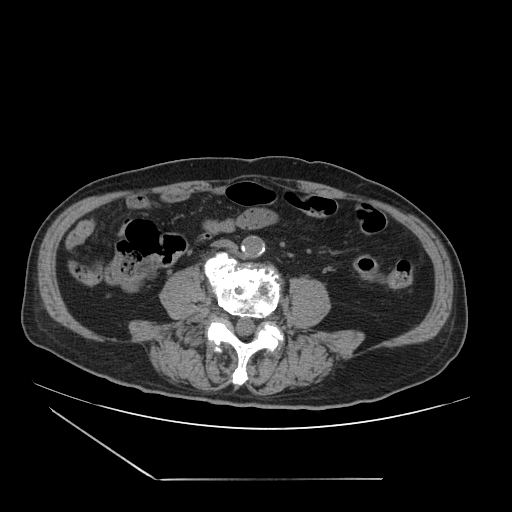
CT, abdomen/pelvis. axial plane, index 86. soft-tissue window. acquired on SOMATOM Force
<organs><organ name="aorta" x1="241" y1="235" x2="265" y2="257"/><organ name="inferior vena cava" x1="212" y1="239" x2="236" y2="250"/></organs>